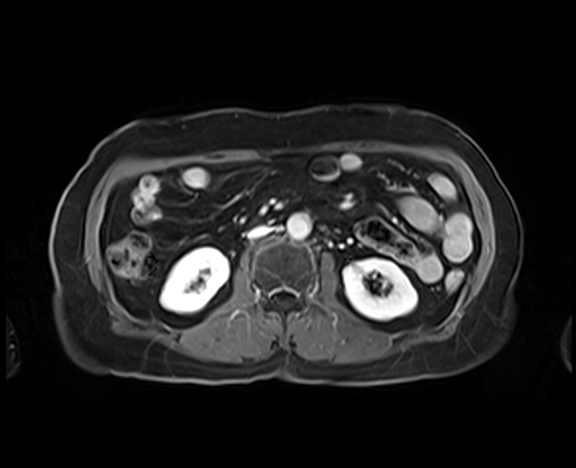 MRI, abdomen. axial view. 576x468 px
Bounding boxes as [x1, y1, x2, y2] in pixel coordinates.
Organ bounding boxes:
- right kidney: [160, 247, 228, 313]
- left kidney: [343, 258, 417, 320]
- aorta: [287, 213, 310, 239]
- inferior vena cava: [248, 225, 271, 238]